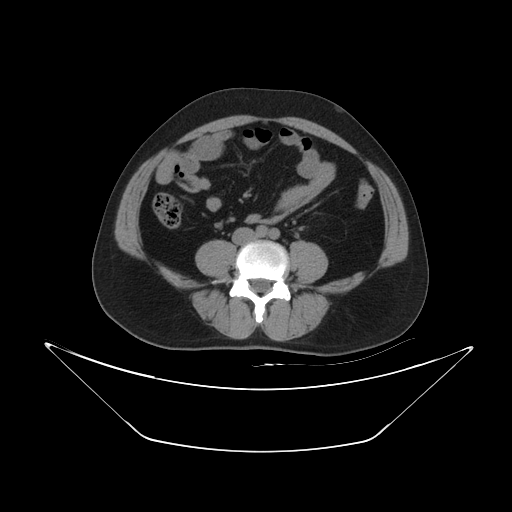

Computed tomography, abdomen. axial view
{"organs":{"inferior vena cava":[231,227,255,244]}}